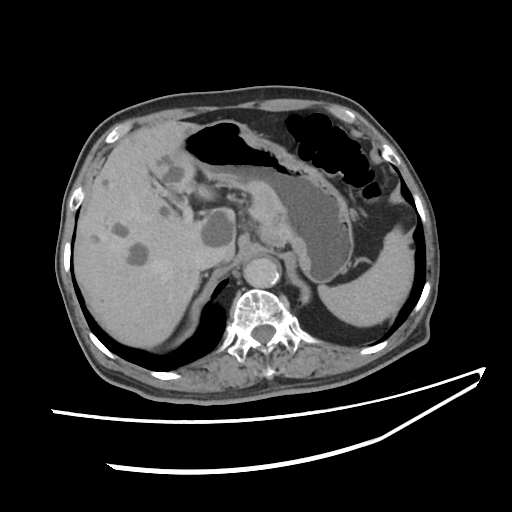 CT abdomen; Axial slice 77/91; abdomen soft-tissue window; 512x512 px
Box edges are left/top/right/bottom in pixels.
spleen: left=318, top=227, right=413, bottom=325
liver: left=72, top=119, right=236, bottom=348
stomach: left=182, top=119, right=353, bottom=283
aorta: left=243, top=257, right=281, bottom=287
inferior vena cava: left=193, top=248, right=227, bottom=268
right adrenal gland: left=199, top=273, right=208, bottom=285